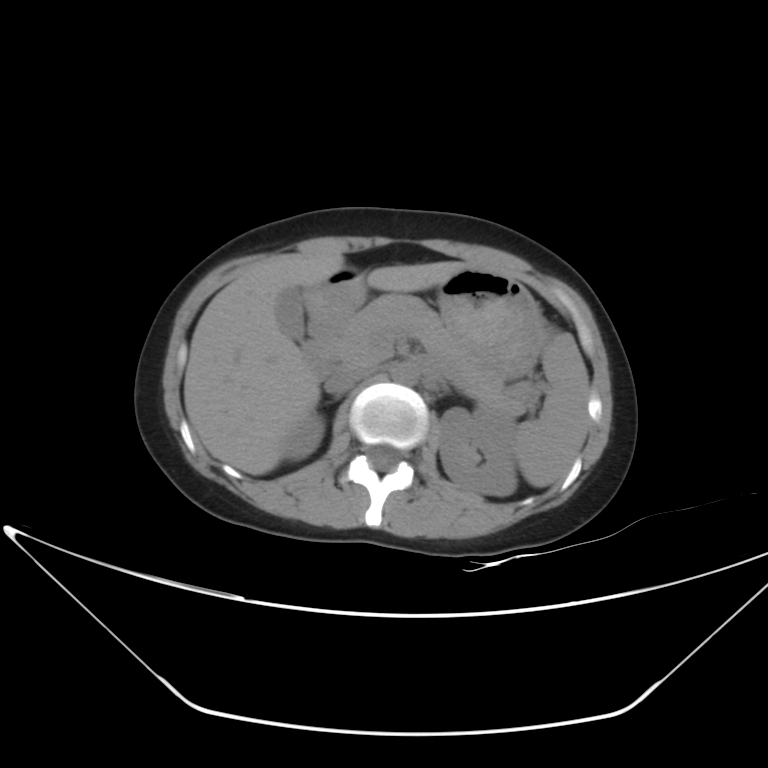

Abdominal CT; axial plane, index 59; abdomen soft-tissue window; 768x768 px; 28-year-old female patient; acquired on Brilliance16
{"organs":{"spleen":[515,331,590,488],"right kidney":[282,414,324,460],"left kidney":[438,408,517,495],"gall bladder":[275,287,305,341],"liver":[183,250,472,474],"stomach":[307,266,546,379],"aorta":[392,360,419,384],"inferior vena cava":[325,360,375,394],"pancreas":[333,295,535,416],"right adrenal gland":[334,395,339,401],"duodenum":[302,311,349,376]}}